CT abdomen · axial view · W/L 400/40 HU · 15 organs annotated in this scan (a whole-scan count: organs this slice does not pass through have no box)
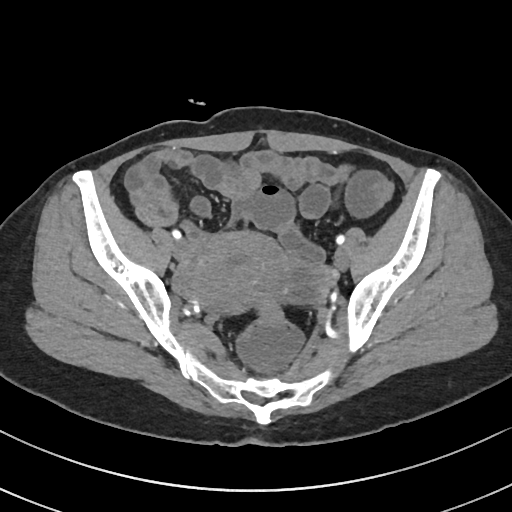 One row per box, in pixels: columns x1 and y1 give the top-left corner, x2 and y2 the bottom-right.
| organ | x1 | y1 | x2 | y2 |
|---|---|---|---|---|
| prostate/uterus | 192 | 231 | 285 | 309 |